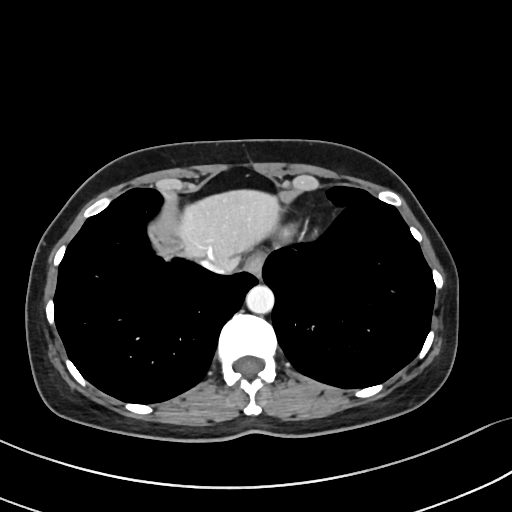

Abdominal CT — axial view — soft-tissue window (W 400 / L 40) — 512x512 px
Boxes: x1 y1 x2 y2 (pixel coords, space-separated).
Organ bounding boxes:
- esophagus: 245 254 263 277
- liver: 177 190 279 271
- aorta: 246 285 274 313
- inferior vena cava: 198 258 226 273